CT abdomen. axial view. soft-tissue window (W 400 / L 40)
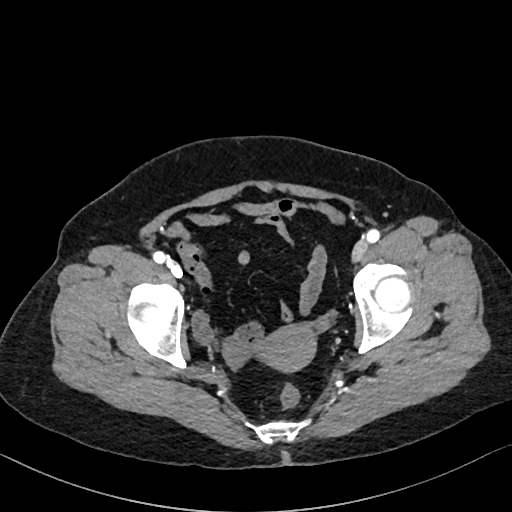
<organs><organ name="prostate/uterus" x1="259" y1="326" x2="313" y2="368"/></organs>